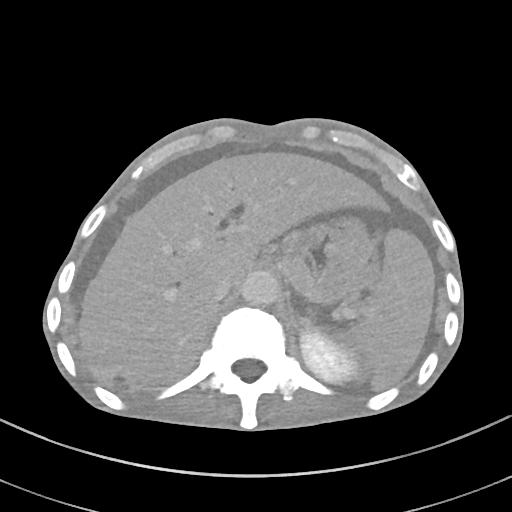 Computed tomography, abdomen · axial plane, index 72 · soft-tissue window · SOMATOM Force scanner
{"organs":{"inferior vena cava":[211,276,234,301],"spleen":[341,229,434,388],"aorta":[240,270,279,305],"left kidney":[300,329,356,383],"stomach":[274,218,371,302],"liver":[79,152,390,389]}}